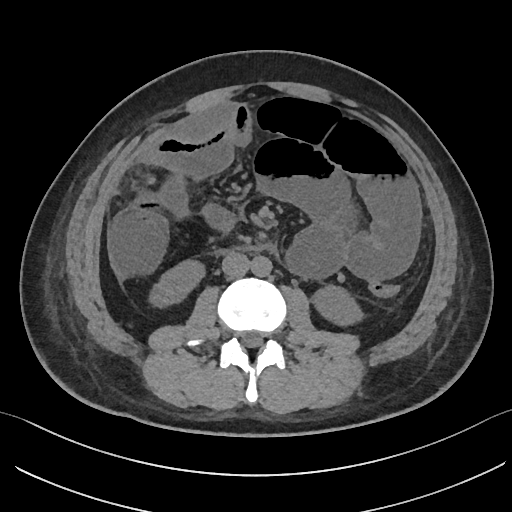 Abdominal CT — Axial slice 128/234 — soft-tissue window — scan has 15 labeled organs (a whole-scan count: organs this slice does not pass through have no box)
<organs><organ name="right kidney" x1="147" y1="258" x2="206" y2="307"/><organ name="left kidney" x1="310" y1="284" x2="363" y2="324"/><organ name="aorta" x1="251" y1="256" x2="272" y2="276"/><organ name="inferior vena cava" x1="222" y1="251" x2="250" y2="277"/></organs>